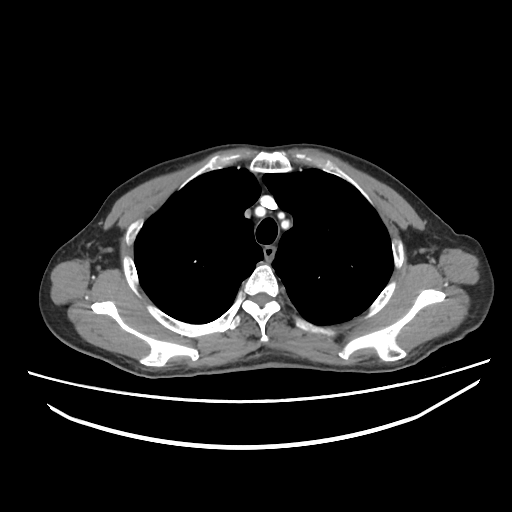
CT of the abdomen extending into the chest, slice through the chest — Axial slice 90/109 — soft-tissue window — 512x512 px — 63-year-old male patient
At this level of the chest this dataset labels only the esophagus and the aorta, and each is boxed only where it is labeled; the heart and lungs are never labeled. Coordinates as <box>x1,y1,x2,y2</box> in pixels. 1 labeled organ on this slice — esophagus at <box>264,246,275,259</box>.